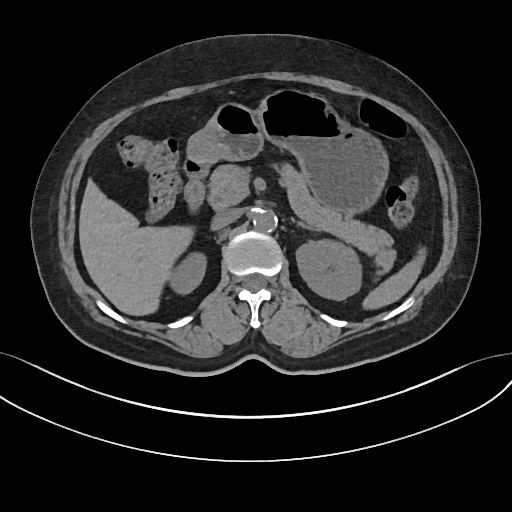
Abdominal CT — axial view
Bounding boxes in pixels, one row per box: x1, y1 is the top-left corner and x2, y2 the bottom-right.
| organ | x1 | y1 | x2 | y2 |
|---|---|---|---|---|
| spleen | 362 | 248 | 426 | 308 |
| right kidney | 172 | 253 | 205 | 292 |
| left kidney | 296 | 239 | 359 | 300 |
| liver | 79 | 177 | 192 | 316 |
| stomach | 187 | 90 | 389 | 216 |
| aorta | 253 | 210 | 278 | 233 |
| inferior vena cava | 211 | 210 | 240 | 229 |
| pancreas | 208 | 161 | 394 | 275 |
| left adrenal gland | 294 | 221 | 313 | 230 |
| duodenum | 182 | 156 | 209 | 208 |